CT, abdomen/pelvis · axial view
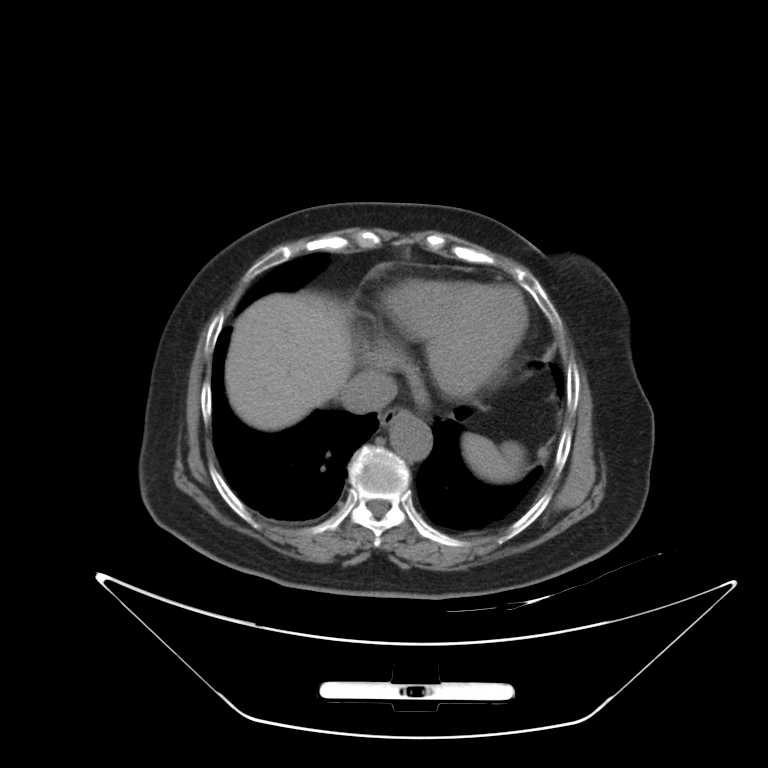 <organs><organ name="spleen" x1="462" y1="433" x2="524" y2="482"/><organ name="esophagus" x1="379" y1="407" x2="408" y2="426"/><organ name="liver" x1="225" y1="291" x2="354" y2="430"/><organ name="aorta" x1="390" y1="414" x2="431" y2="460"/><organ name="inferior vena cava" x1="341" y1="370" x2="396" y2="412"/></organs>